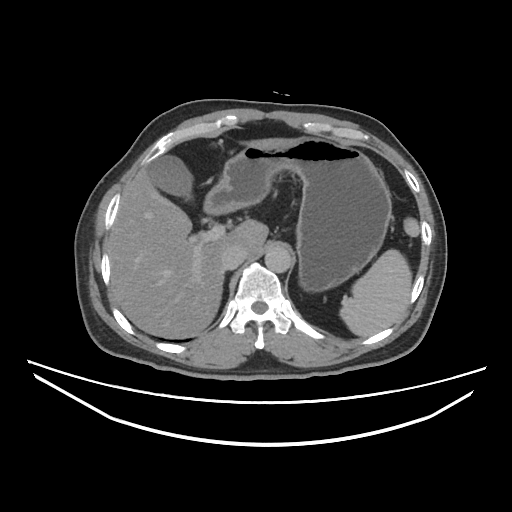

CT abdomen — axial view — 55-year-old male patient
Coordinates as <box>x1,y1,x2,y2</box> in pixels.
spleen: <box>339,250,411,337</box>
gall bladder: <box>147,155,191,201</box>
liver: <box>108,137,306,338</box>
stomach: <box>204,137,392,291</box>
aorta: <box>263,245,292,272</box>
inferior vena cava: <box>221,245,245,269</box>